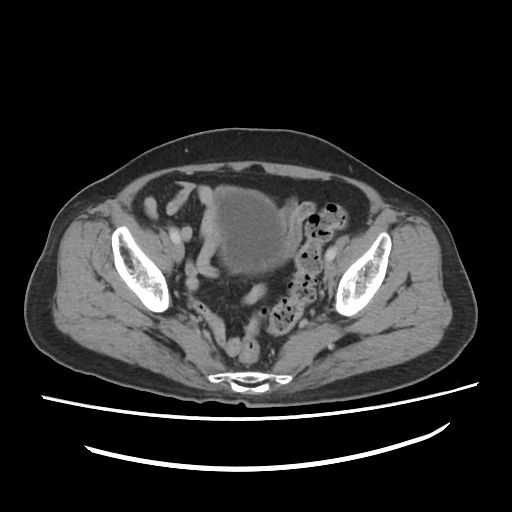 Computed tomography, abdomen — Axial slice 26/128 — soft-tissue window (W 400 / L 40) — 512x512 px
Coordinates as <box>x1,y1,x2,y2</box> in pixels.
bladder: <box>213,186,286,271</box>